Abdominal CT. Axial slice 179/305. 512x512 px. scan has 15 labeled organs (counted over the whole 3D scan, not this slice; an organ is boxed only where this slice passes through it)
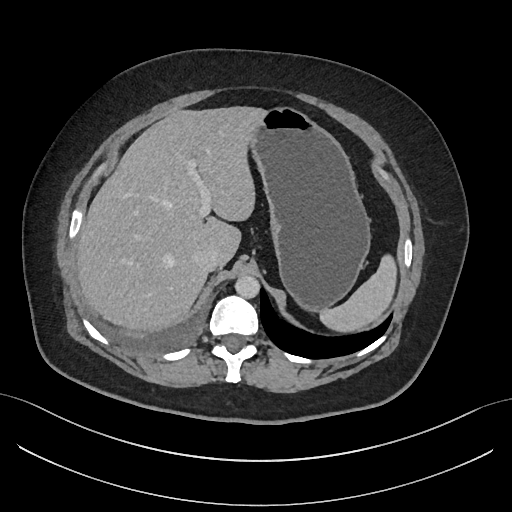 {"organs":{"inferior vena cava":[195,248,219,272],"stomach":[248,107,370,312],"aorta":[234,275,259,298],"liver":[76,106,263,332],"spleen":[320,254,396,332]}}